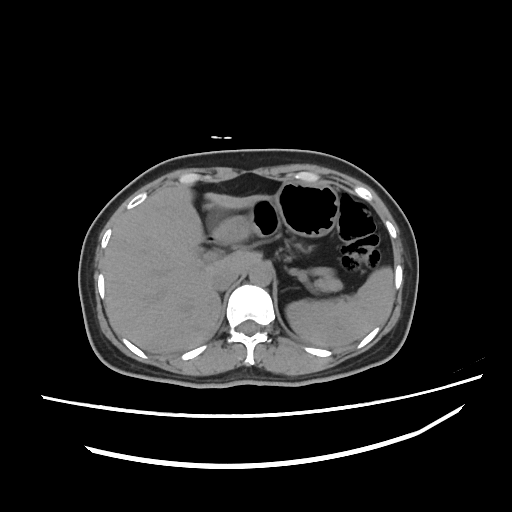 Abdominal CT. axial view. W/L 400/40 HU. 43-year-old female patient
Bounding boxes as [x1, y1, x2, y2] in pixel coordinates.
spleen: [287, 267, 394, 348]
liver: [103, 183, 270, 354]
stomach: [212, 183, 338, 242]
aorta: [249, 263, 273, 285]
inferior vena cava: [214, 269, 238, 289]
pancreas: [277, 247, 341, 290]
duodenum: [204, 239, 232, 250]